CT, abdomen/pelvis; axial plane, index 49
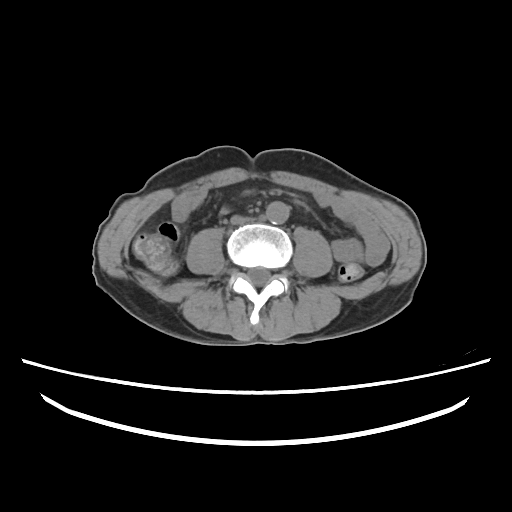
Box edges are left/top/right/bottom in pixels. Labeled organs on this slice: aorta at left=267, top=202, right=288, bottom=224.